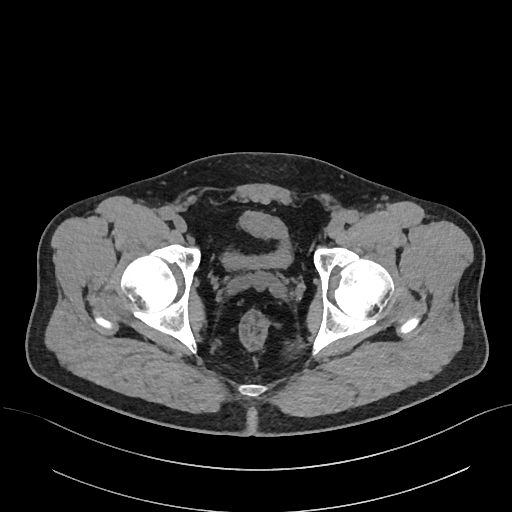 CT abdomen — Axial slice 39/265 — scan has 15 labeled organs (a whole-scan count: organs this slice does not pass through have no box)
Coordinates as <box>x1,y1,x2,y2</box> in pixels.
Organ bounding boxes:
- bladder: <box>222,212,291,269</box>